CT abdomen; axial plane, index 52; soft-tissue window
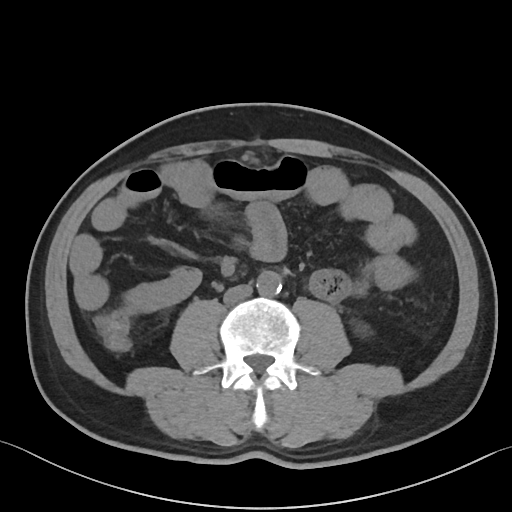 Boxes are (x1, y1, x2, y2) in pixels.
Organ bounding boxes:
- inferior vena cava: (223, 285, 252, 304)
- left kidney: (355, 324, 369, 335)
- aorta: (256, 271, 281, 296)